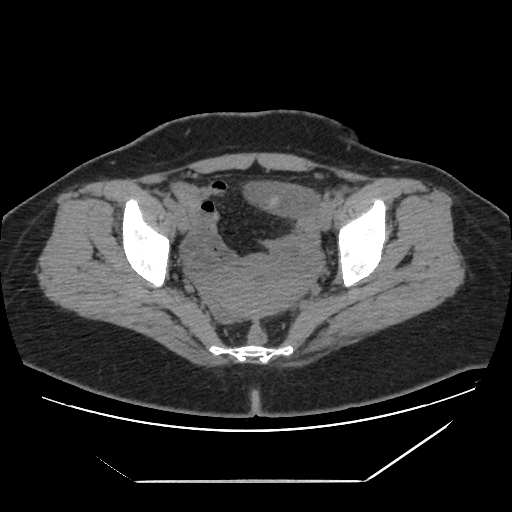
Abdominal CT. axial view. 512x512 px
Boxes are (x1, y1, x2, y2) in pixels. Labeled organs on this slice: prostate/uterus at (205, 256, 303, 318).